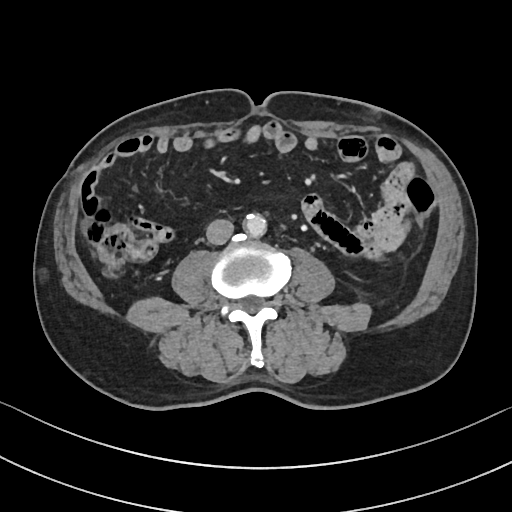
Abdominal CT. Axial slice 121/221. soft-tissue window (W 400 / L 40). 512x512 px. scan has 14 labeled organs (a whole-scan count: organs this slice does not pass through have no box)
{"organs":{"aorta":[243,213,266,235],"inferior vena cava":[206,219,234,244]}}